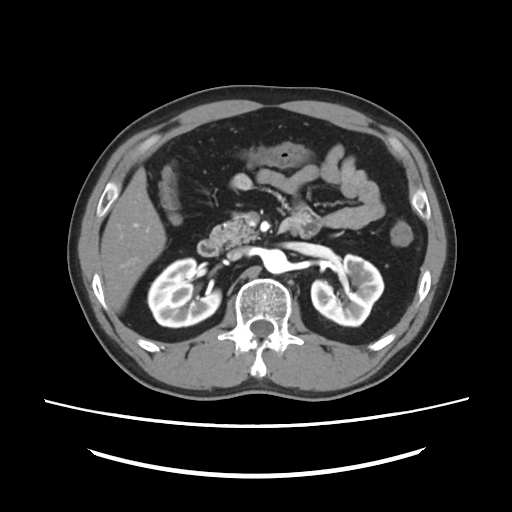
Abdominal CT · axial view · soft-tissue window (W 400 / L 40)
{"organs":{"inferior vena cava":[227,247,248,260],"liver":[100,167,166,312],"duodenum":[197,240,220,256],"aorta":[263,249,287,273],"pancreas":[209,216,258,246],"left kidney":[311,254,383,326],"right kidney":[148,258,220,327]}}